CT abdomen. axial plane, index 73. 45-year-old male patient
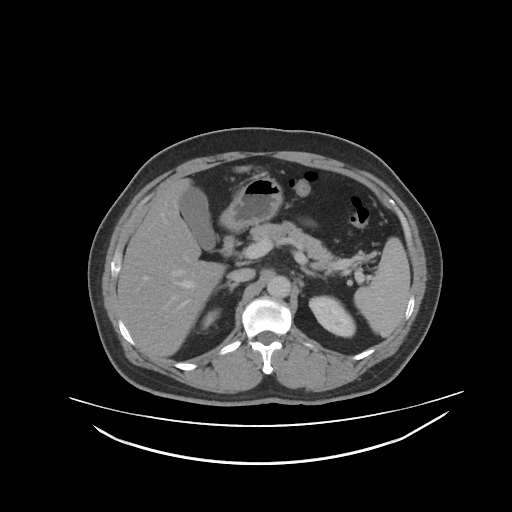 {"organs":{"spleen":[354,237,410,338],"right kidney":[203,311,215,328],"left kidney":[309,295,355,336],"gall bladder":[179,185,217,251],"liver":[117,165,252,357],"stomach":[220,174,279,232],"aorta":[267,276,290,297],"inferior vena cava":[228,268,255,281],"pancreas":[250,224,337,261],"right adrenal gland":[218,281,239,291],"left adrenal gland":[302,268,328,281],"duodenum":[222,236,233,256]}}